CT abdomen · Axial slice 141/284 · abdomen soft-tissue window · 512x512 px
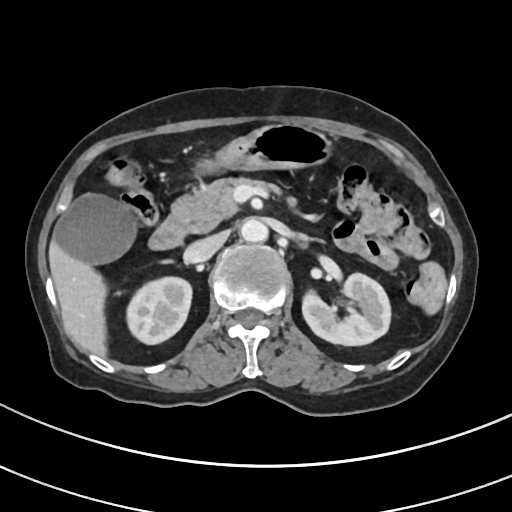
{"organs":{"right kidney":[126,277,192,344],"left kidney":[302,273,390,345],"gall bladder":[55,194,136,263],"liver":[48,233,106,355],"stomach":[195,123,330,175],"aorta":[240,218,268,242],"inferior vena cava":[184,232,227,263],"pancreas":[171,177,294,232],"duodenum":[148,216,187,250]}}